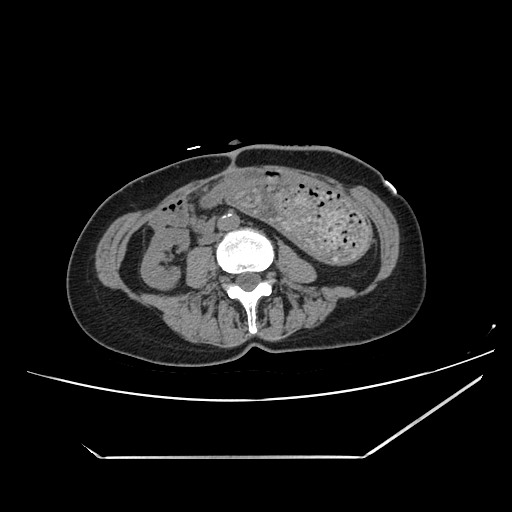 CT abdomen · Axial slice 75/143
One row per box, in pixels: columns x1 and y1 give the top-left corner, x2 and y2 the bottom-right.
| organ | x1 | y1 | x2 | y2 |
|---|---|---|---|---|
| duodenum | 196 | 217 | 215 | 233 |
| stomach | 226 | 179 | 371 | 265 |
| inferior vena cava | 200 | 233 | 219 | 243 |
| aorta | 217 | 213 | 239 | 230 |
| right kidney | 140 | 228 | 187 | 289 |